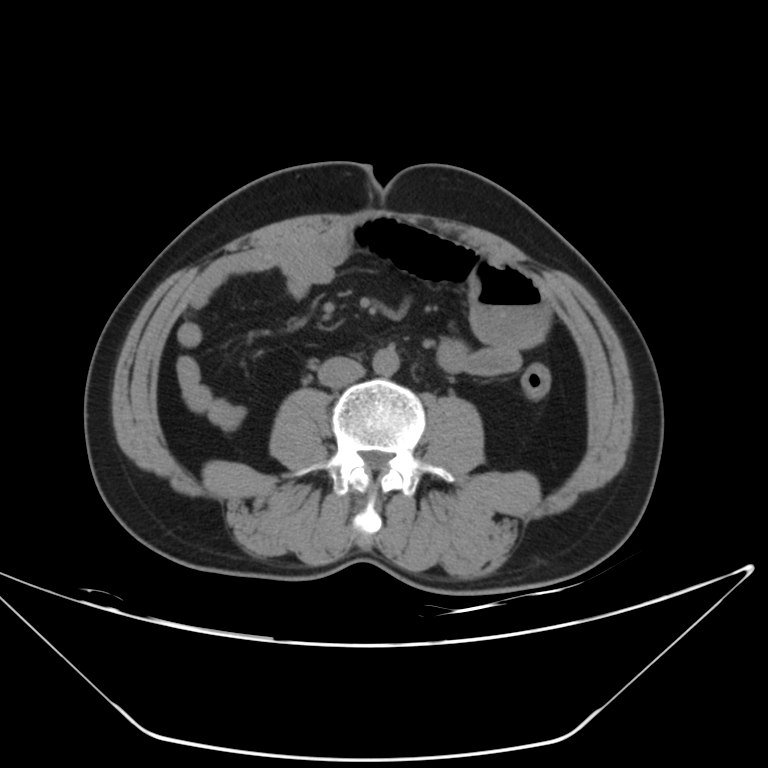

Computed tomography, abdomen; axial plane, index 49; soft-tissue window; 768x768 px
Box edges are left/top/right/bottom in pixels.
Organ bounding boxes:
- inferior vena cava: left=318, top=356, right=365, bottom=387
- aorta: left=372, top=347, right=399, bottom=375